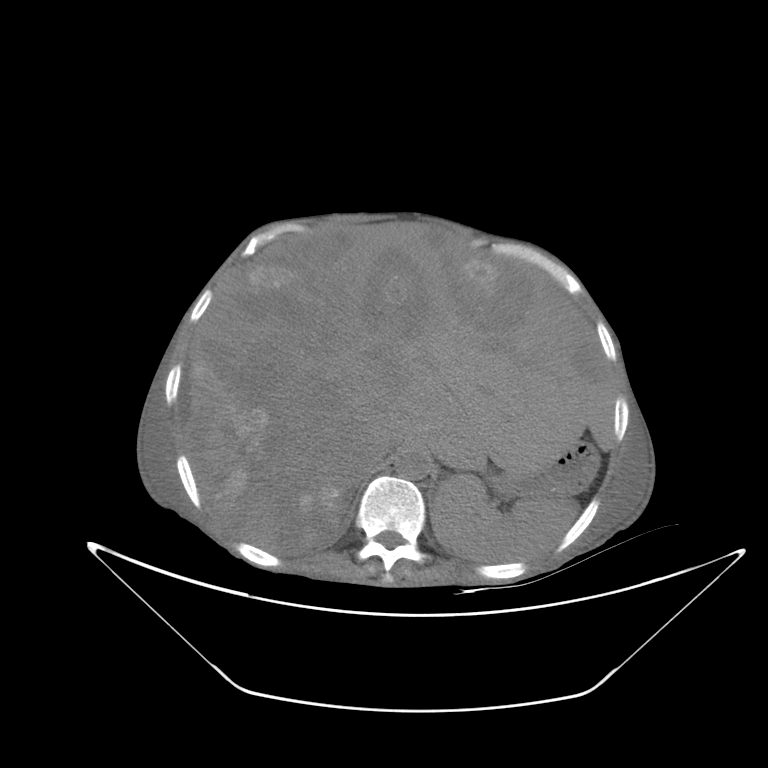
Computed tomography, abdomen · Axial slice 85/108 · 768x768 px
Bounding boxes as [x1, y1, x2, y2] in pixel coordinates. Labeled organs on this slice: liver at [185, 228, 616, 555], aorta at [394, 449, 430, 480], spleen at [431, 473, 575, 562], stomach at [491, 442, 595, 496], inferior vena cava at [372, 437, 404, 464].